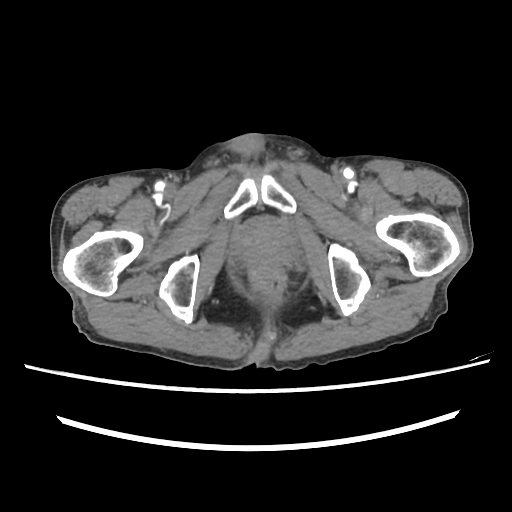
Computed tomography, abdomen — axial view — abdomen soft-tissue window
<organs><organ name="prostate/uterus" x1="232" y1="217" x2="293" y2="267"/></organs>